Chest-level CT slice, above the liver and spleen; axial view; 512x512 px; acquired on SOMATOM Force
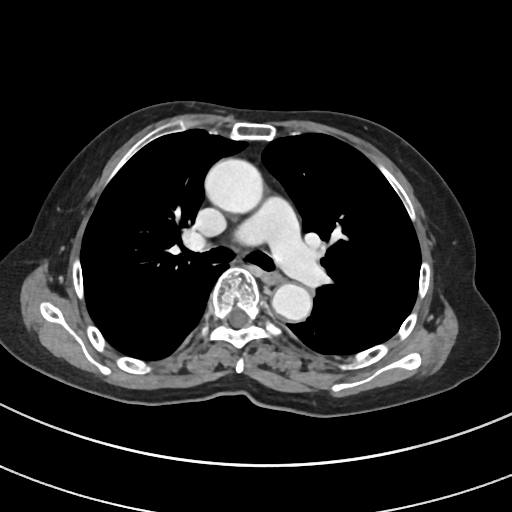

At this level of the chest this dataset labels only the esophagus and the aorta, and each is boxed only where it is labeled; the heart and lungs are never labeled.
One row per box, in pixels: columns x1 and y1 give the top-left corner, x2 and y2 the bottom-right.
| organ | x1 | y1 | x2 | y2 |
|---|---|---|---|---|
| esophagus | 264 | 272 | 282 | 284 |
| aorta | 204 | 157 | 262 | 212 |
| aorta | 271 | 284 | 312 | 321 |